Abdominal CT reaching into the chest; this slice is in the chest — axial view — scan has 14 labeled organs (that count is for the whole scan; organs this slice misses have no box)
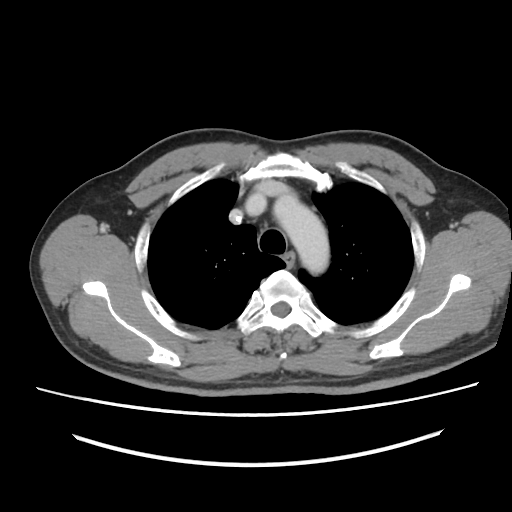

At this level of the chest this dataset labels only the esophagus and the aorta, and each is boxed only where it is labeled; the heart and lungs are never labeled.
<organs><organ name="aorta" x1="275" y1="197" x2="329" y2="273"/><organ name="esophagus" x1="283" y1="253" x2="294" y2="262"/></organs>